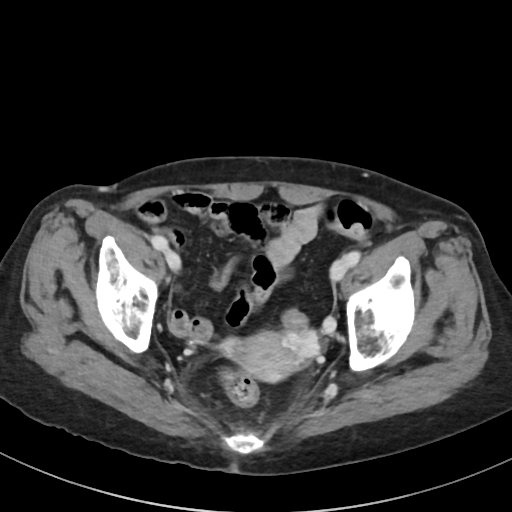
Computed tomography, abdomen. Axial slice 16/78. soft-tissue window (W 400 / L 40)
Each box given as x1,y1,x2,y2.
prostate/uterus: x1=229, y1=331, x2=302, y2=382